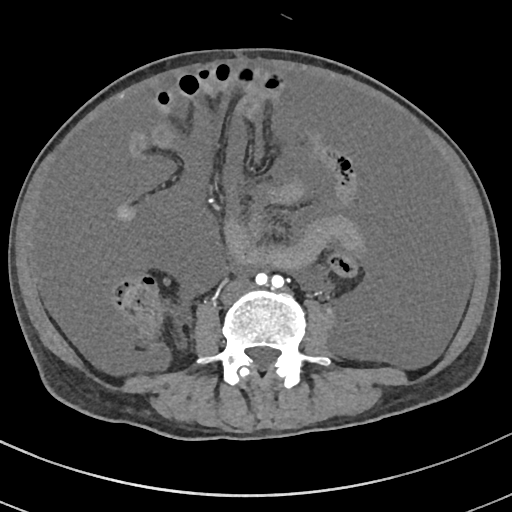

CT abdomen; axial view; 512x512 px
<organs><organ name="inferior vena cava" x1="221" y1="280" x2="252" y2="304"/></organs>